Abdominal CT; Axial slice 195/237; 15 organs annotated in this scan (that count is for the whole scan; organs this slice misses have no box)
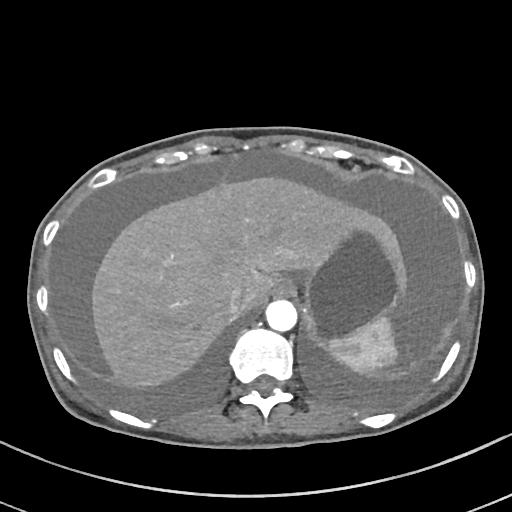

Bounding boxes in pixels, one row per box: x1, y1 is the top-left corner and x2, y2 the bottom-right.
| organ | x1 | y1 | x2 | y2 |
|---|---|---|---|---|
| inferior vena cava | 226 | 287 | 244 | 316 |
| esophagus | 277 | 280 | 294 | 294 |
| aorta | 265 | 299 | 296 | 331 |
| liver | 91 | 175 | 400 | 392 |
| stomach | 289 | 226 | 406 | 346 |
| spleen | 324 | 315 | 399 | 374 |